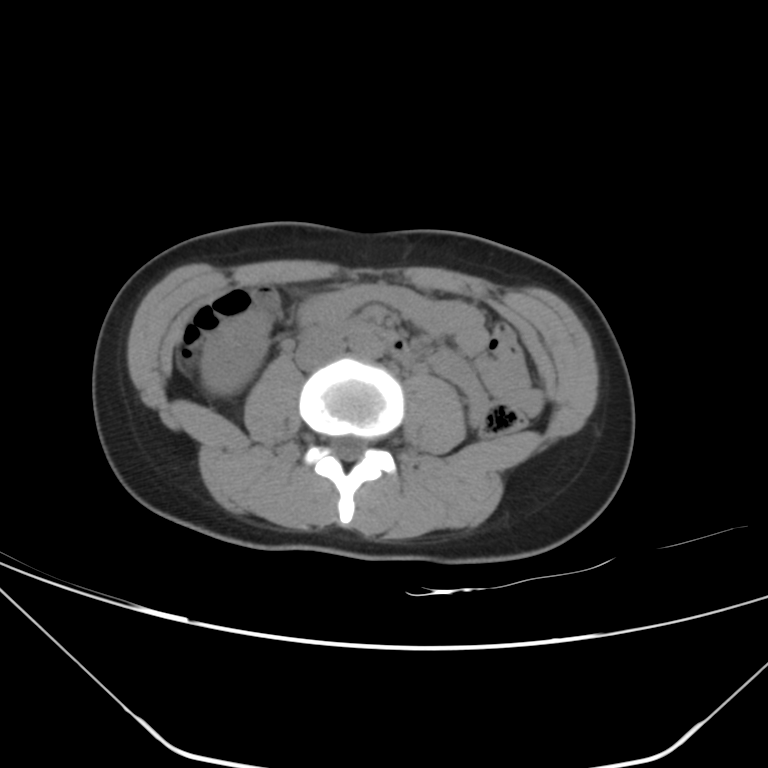
Abdominal CT · axial view · scan has 15 labeled organs (counted over the whole 3D scan, not this slice; an organ is boxed only where this slice passes through it)
{"organs":{"right kidney":[202,311,268,394],"aorta":[349,331,382,358],"inferior vena cava":[295,331,344,368],"duodenum":[322,321,417,367]}}